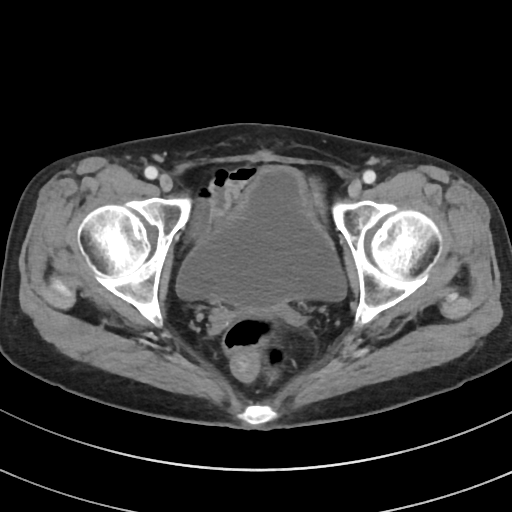 CT abdomen · axial view · 512x512 px
Boxes: x1:y1:x2:y2 in pixels.
Organ bounding boxes:
- bladder: 176:166:346:309